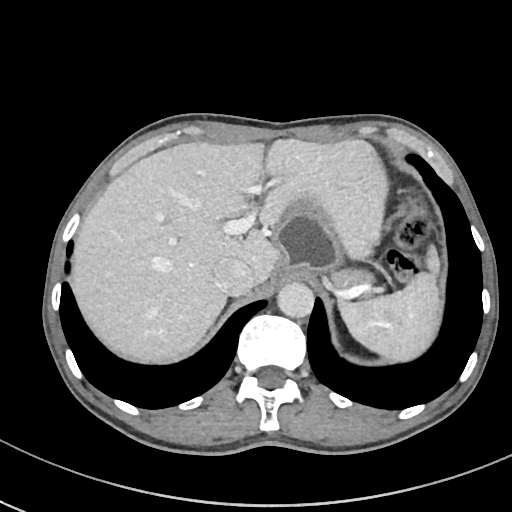 CT, abdomen/pelvis — axial view
Boxes: x1:y1:x2:y2 in pixels.
spleen: 337:272:441:361
liver: 70:139:439:365
stomach: 272:200:343:281
aorta: 277:281:313:317
inferior vena cava: 213:258:254:296
pancreas: 332:266:373:289